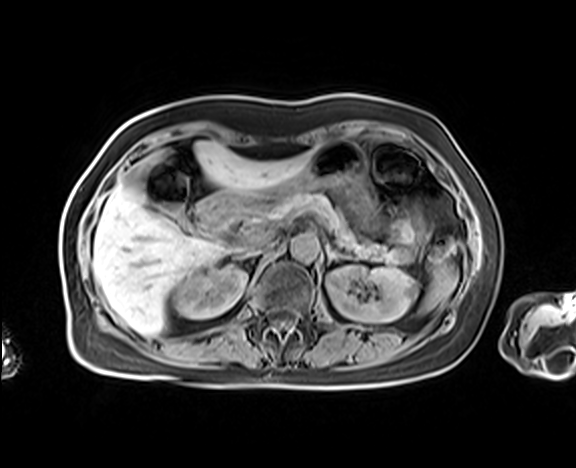 Magnetic resonance imaging, abdomen — axial view — 576x468 px
Boxes: x1 y1 x2 y2 (pixel coords, space-separated).
spleen: 420 262 458 313
right kidney: 176 266 246 318
left kidney: 326 266 416 322
liver: 92 141 312 336
stomach: 226 140 377 229
aorta: 290 233 319 261
inferior vena cava: 243 240 273 256
pancreas: 270 192 412 262
left adrenal gland: 325 244 350 264
duodenum: 197 193 240 233